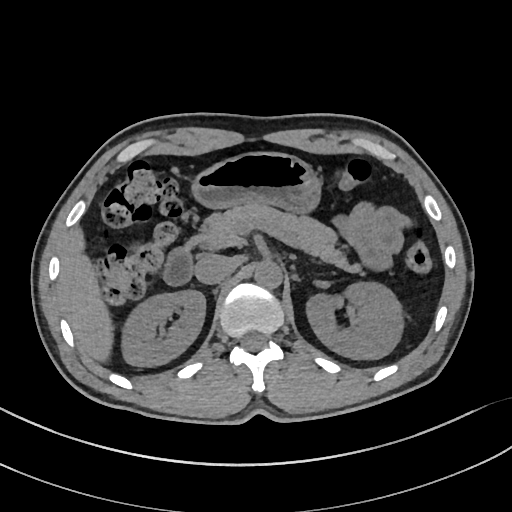
CT, abdomen/pelvis — Axial slice 169/228 — SOMATOM Force scanner
Boxes: x1 y1 x2 y2 (pixel coords, space-separated).
inferior vena cava: 195 253 236 285
left kidney: 305 282 402 360
aorta: 254 261 282 289
left adrenal gland: 306 259 322 265
duodenum: 164 243 193 285
right kidney: 123 290 206 366
pancreas: 196 203 365 274
liver: 59 227 114 362
stomach: 190 152 322 214